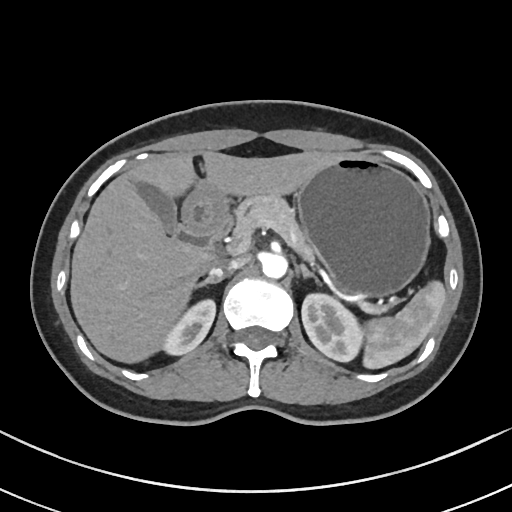

CT abdomen — axial view — soft-tissue window (W 400 / L 40) — SOMATOM Force scanner
Boxes are (x1, y1, x2, y2) in pixels.
spleen: (363, 281, 445, 368)
right kidney: (160, 299, 215, 354)
left kidney: (302, 293, 365, 361)
gall bladder: (136, 182, 178, 234)
liver: (70, 150, 342, 363)
stomach: (183, 155, 429, 297)
aorta: (261, 253, 287, 278)
inferior vena cava: (209, 257, 245, 277)
pancreas: (234, 193, 313, 259)
right adrenal gland: (197, 276, 221, 286)
left adrenal gland: (300, 264, 320, 284)
duodenum: (175, 210, 233, 257)